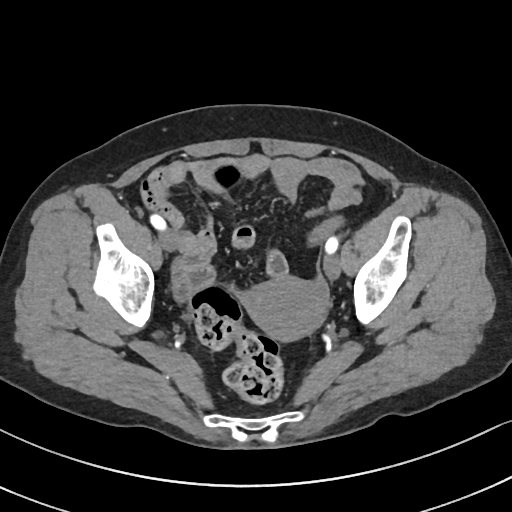
CT abdomen — axial view — W/L 400/40 HU — 512x512 px — 15 organs annotated in this scan (a whole-scan count: organs this slice does not pass through have no box)
<organs><organ name="prostate/uterus" x1="245" y1="276" x2="327" y2="340"/></organs>